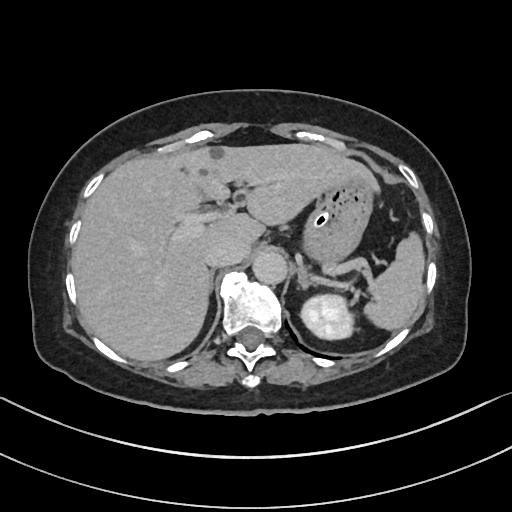
Computed tomography, abdomen; axial plane, index 171
Each box given as x1,y1,x2,y2. Labeled organs on this slice: spleen at x1=366, y1=232, x2=425, y2=330, left kidney at x1=301, y1=293, x2=354, y2=340, gall bladder at x1=196, y1=188, x2=201, y2=194, liver at x1=72, y1=143, x2=380, y2=361, stomach at x1=303, y1=176, x2=373, y2=263, aorta at x1=252, y1=250, x2=286, y2=283, inferior vena cava at x1=204, y1=239, x2=241, y2=267, right adrenal gland at x1=207, y1=271, x2=213, y2=301, left adrenal gland at x1=297, y1=265, x2=311, y2=287.